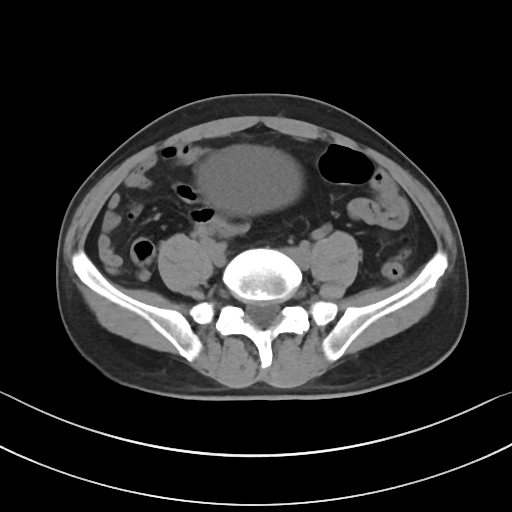

CT, abdomen/pelvis. Axial slice 38/87. soft-tissue window. 512x512 px. 15 organs annotated in this scan (a whole-scan count: organs this slice does not pass through have no box)
Each box given as x1,y1,x2,y2.
bladder: x1=198, y1=147, x2=294, y2=210